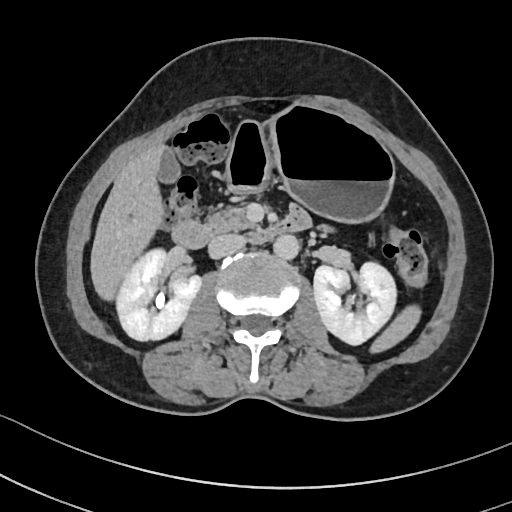
CT, abdomen/pelvis · axial view · soft-tissue window · 15 organs annotated in this scan (that count is for the whole scan; organs this slice misses have no box)
Coordinates as <box>x1,y1,x2,y2</box> in pixels. The annotated organs in this slice are: right kidney at <box>116,248,200,341</box>, pancreas at <box>207,207,251,232</box>, spleen at <box>370,305,421,353</box>, aorta at <box>273,235,299,259</box>, inferior vena cava at <box>208,234,246,258</box>, gall bladder at <box>158,149,179,183</box>, stomach at <box>224,106,394,222</box>, liver at <box>90,143,164,300</box>, duodenum at <box>172,210,310,248</box>, left kidney at <box>313,262,396,344</box>.